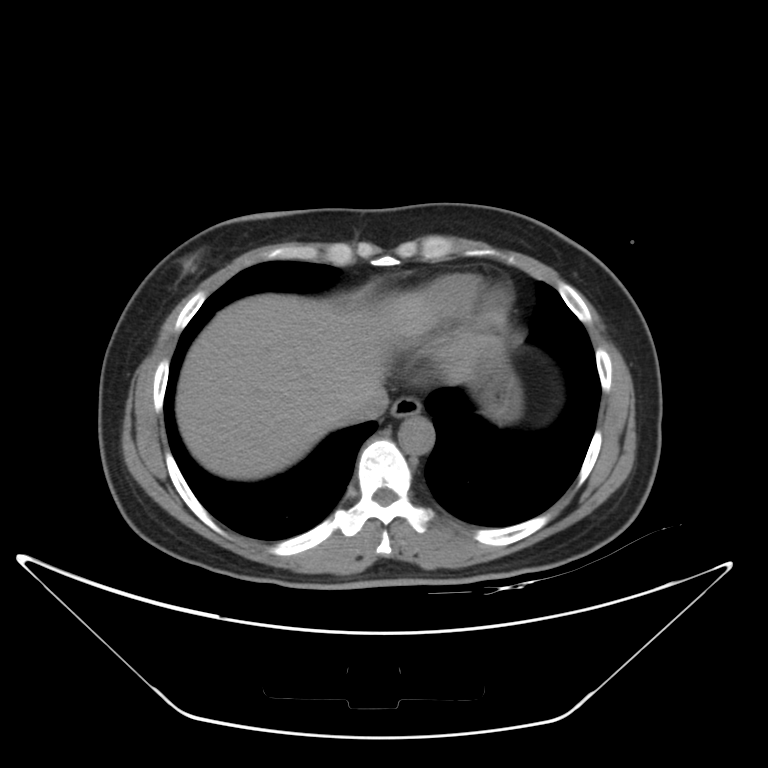
CT abdomen · axial view · 39-year-old female patient
{"organs":{"esophagus":[391,396,421,418],"liver":[176,294,478,480],"stomach":[470,334,519,423],"aorta":[397,415,434,454],"inferior vena cava":[338,387,388,425]}}